CT abdomen · axial plane, index 59
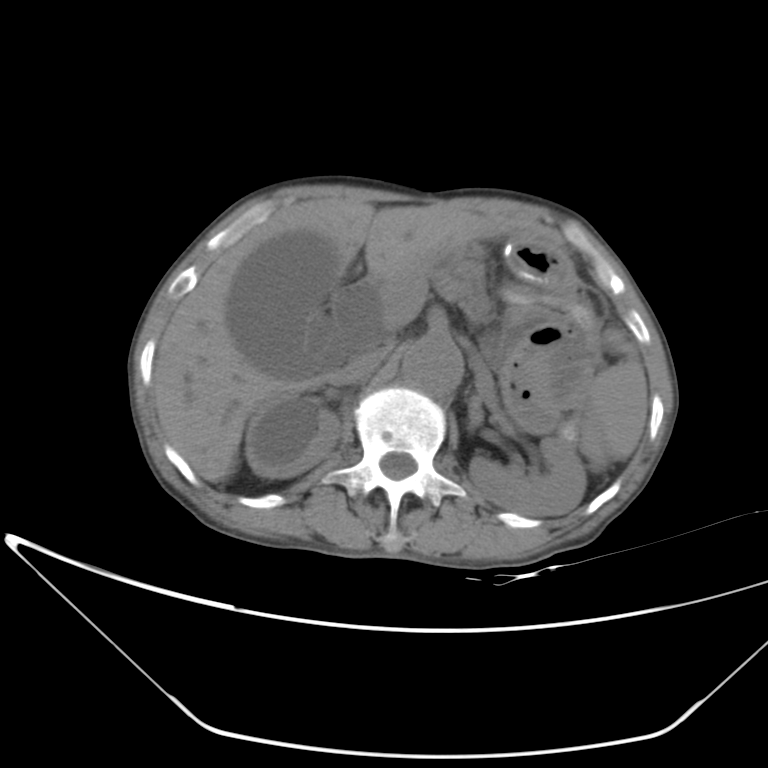
Box edges are left/top/right/bottom in pixels.
spleen: left=591, top=359, right=647, bottom=459
right kidney: left=245, top=393, right=340, bottom=476
left kidney: left=469, top=437, right=587, bottom=515
gall bladder: left=226, top=231, right=338, bottom=377
liver: left=154, top=198, right=512, bottom=481
stomach: left=503, top=239, right=575, bottom=303
aorta: left=401, top=338, right=462, bottom=394
inferior vena cava: left=333, top=344, right=389, bottom=384
pancreas: left=436, top=245, right=487, bottom=323